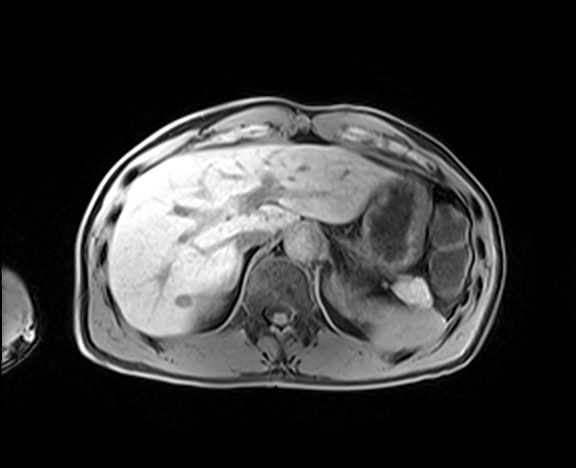 Abdominal MR — axial plane, index 43 — acquired on Prisma
{"organs":{"spleen":[363,301,445,351],"left kidney":[328,279,364,316],"liver":[107,144,395,335],"stomach":[356,176,428,272],"aorta":[285,229,320,260],"inferior vena cava":[235,229,268,251],"pancreas":[391,277,433,306],"right adrenal gland":[224,254,242,291]}}